Computed tomography, abdomen; axial view; soft-tissue window; 54-year-old male patient; Aquilion ONE scanner
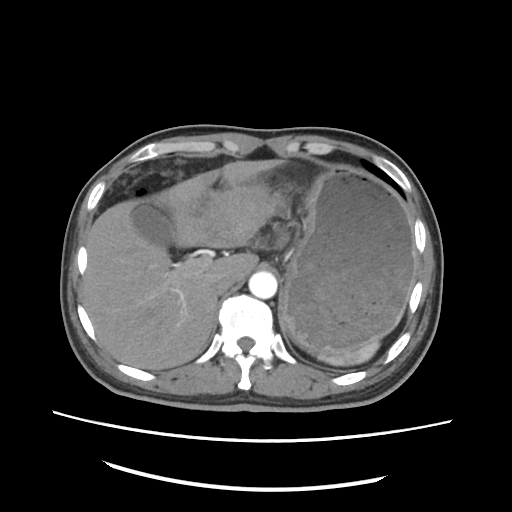
Coordinates as <box>x1,y1,x2,y2</box> in pixels.
Organ bounding boxes:
- spleen: <box>320,338,379,366</box>
- gall bladder: <box>130,205,175,247</box>
- liver: <box>82,159,285,369</box>
- stomach: <box>194,168,417,351</box>
- aorta: <box>249,271,276,298</box>
- inferior vena cava: <box>211,276,233,294</box>